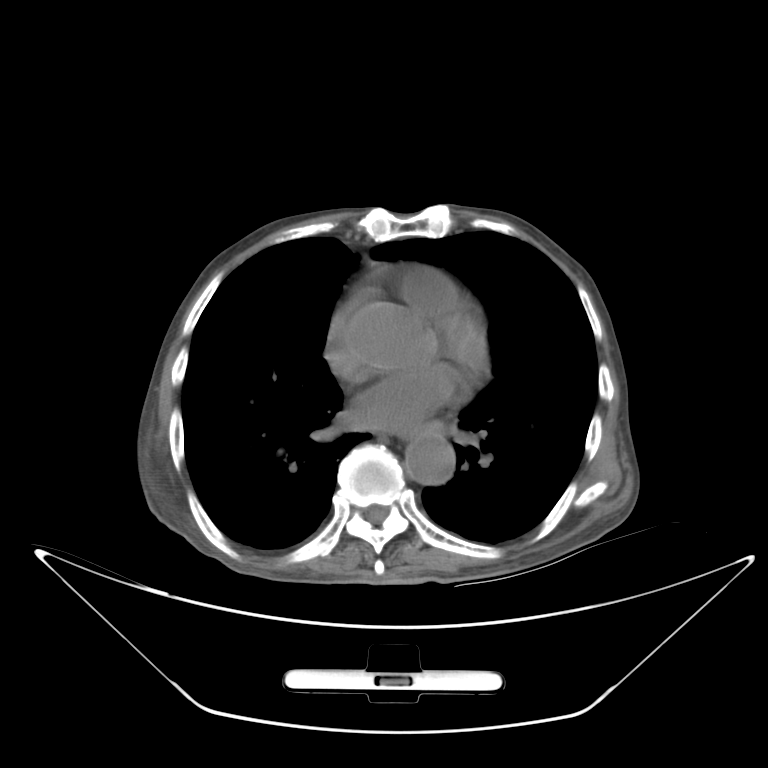

CT of the abdomen reaching into the lower chest, slice just above the liver and spleen. axial view. W/L 400/40 HU. 768x768 px. Brilliance16 scanner. scan has 13 labeled organs (that count is for the whole scan; organs this slice misses have no box)
The heart and lungs are never labeled in this dataset, so they have no box on this slice.
Bounding boxes as [x1, y1, x2, y2] in pixel coordinates.
esophagus: [412, 422, 445, 438]
aorta: [406, 433, 454, 483]